CT abdomen · axial view · 45-year-old male patient · scan has 15 labeled organs (that count is for the whole scan; organs this slice misses have no box)
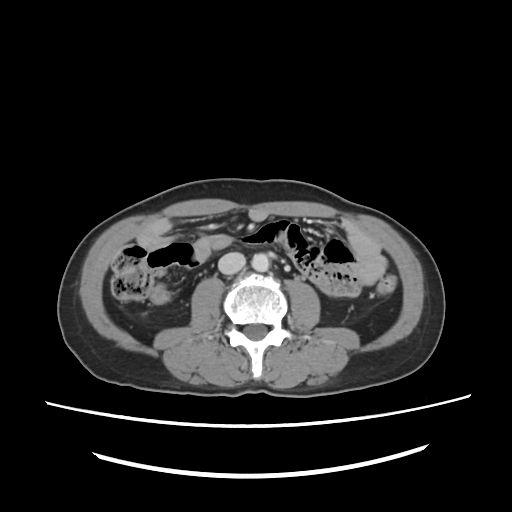 Boxes: x1 y1 x2 y2 (pixel coords, space-separated).
aorta: 251 253 269 271
inferior vena cava: 218 252 244 273